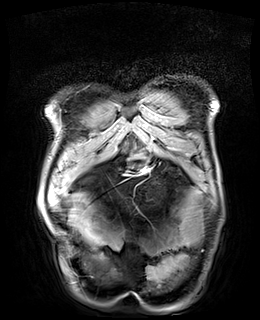 Magnetic resonance imaging, abdomen. coronal plane, index 137. 1st–99th percentile window
Boxes are (x1, y1, x2, y2) in pixels.
Organ bounding boxes:
- stomach: (129, 153, 148, 164)